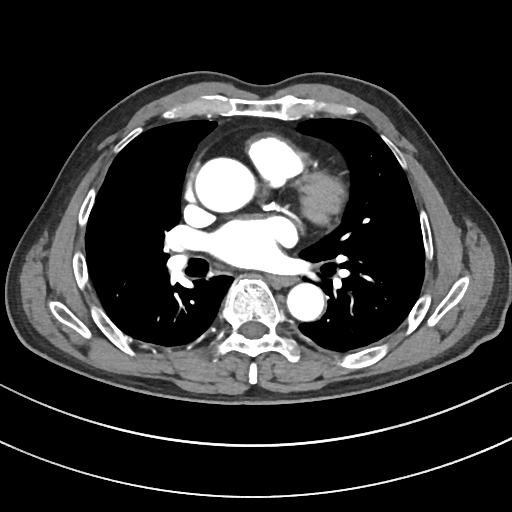 Lower-chest slice from an abdominal CT, just above the liver and spleen. axial view. soft-tissue window. SOMATOM Force scanner
Of the structures in the chest, this dataset labels only the esophagus, the aorta and the inferior vena cava; the heart and lungs have no label.
Bounding boxes in pixels, one row per box: x1, y1 is the top-left corner and x2, y2 the bottom-right.
| organ | x1 | y1 | x2 | y2 |
|---|---|---|---|---|
| aorta | 195 | 157 | 255 | 212 |
| aorta | 287 | 283 | 324 | 321 |
| esophagus | 273 | 277 | 296 | 285 |